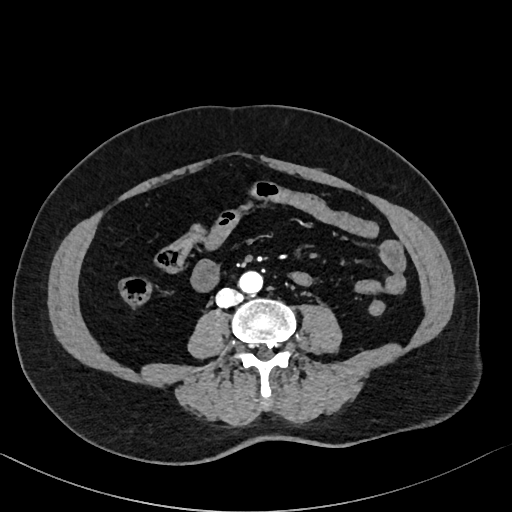 Computed tomography, abdomen; Axial slice 108/222; soft-tissue window (W 400 / L 40); 512x512 px; 15 organs annotated in this scan (a whole-scan count: organs this slice does not pass through have no box)
<organs><organ name="aorta" x1="239" y1="270" x2="263" y2="293"/><organ name="inferior vena cava" x1="216" y1="288" x2="242" y2="308"/></organs>